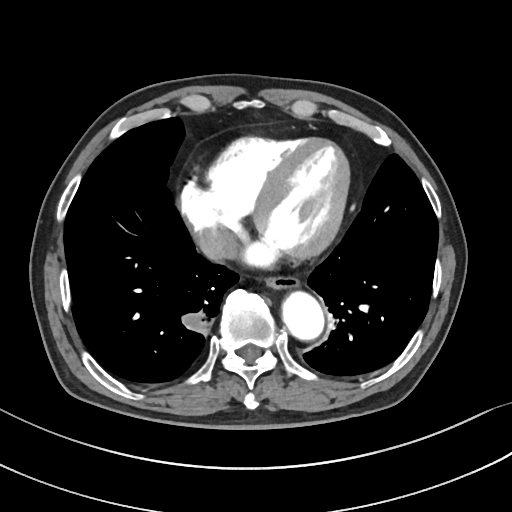
Lower-chest slice from an abdominal CT, just above the liver and spleen · axial plane, index 205 · W/L 400/40 HU · 15 organs annotated in this scan (that count is for the whole scan; organs this slice misses have no box)
Of the structures in the chest, this dataset labels only the esophagus, the aorta and the inferior vena cava; the heart and lungs have no label.
One row per box, in pixels: columns x1 and y1 give the top-left corner, x2 and y2 the bottom-right.
| organ | x1 | y1 | x2 | y2 |
|---|---|---|---|---|
| esophagus | 264 | 273 | 297 | 287 |
| aorta | 280 | 289 | 322 | 337 |
| inferior vena cava | 196 | 226 | 237 | 260 |